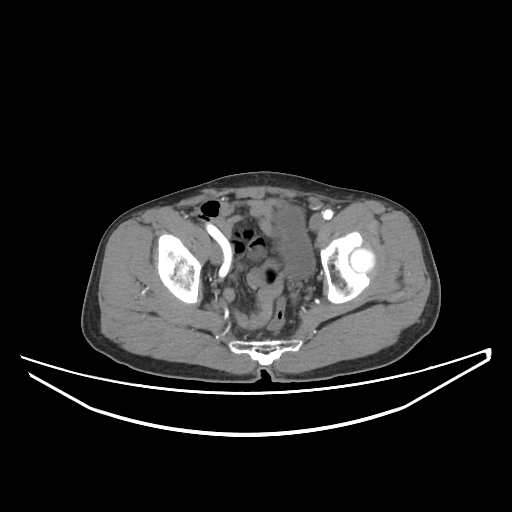 Computed tomography, abdomen — axial view — abdomen soft-tissue window — 512x512 px — Aquilion ONE scanner — 15 organs annotated in this scan (a whole-scan count: organs this slice does not pass through have no box)
{"organs":{"bladder":[275,207,314,278]}}